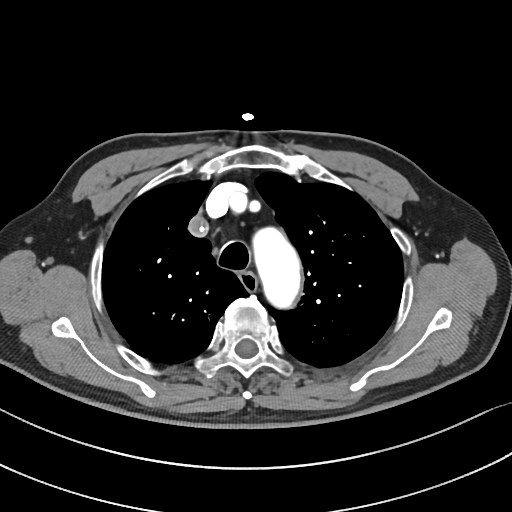

Abdominal CT reaching into the chest; this slice is in the chest; Axial slice 275/306; W/L 400/40 HU; 15 organs annotated in this scan (a whole-scan count: organs this slice does not pass through have no box)
On a slice this high in the chest, this dataset labels only the esophagus and the aorta, and each is boxed only where it is labeled; the heart, lungs and other chest structures are not labeled.
<organs><organ name="aorta" x1="253" y1="228" x2="300" y2="307"/><organ name="esophagus" x1="240" y1="272" x2="256" y2="293"/></organs>